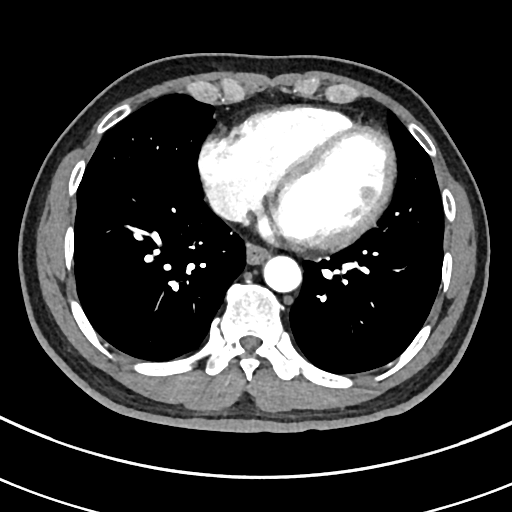
Abdominal CT; this slice is in the lower chest, just above the liver; Axial slice 205/302; W/L 400/40 HU; 512x512 px; 15 organs annotated in this scan (counted over the whole 3D scan, not this slice; an organ is boxed only where this slice passes through it)
The heart and lungs are never labeled in this dataset, so they have no box on this slice.
Each box given as x1,y1,x2,y2.
Organ bounding boxes:
- esophagus: x1=247, y1=242, x2=270, y2=263
- aorta: x1=262, y1=255, x2=300, y2=291
- inferior vena cava: x1=207, y1=187, x2=246, y2=221